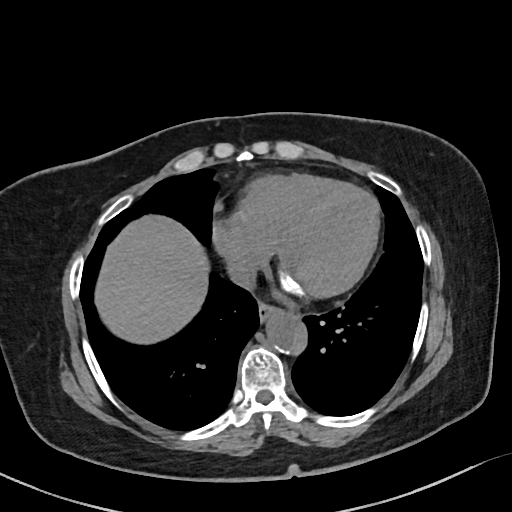

Computed tomography, abdomen; axial view; W/L 400/40 HU
<organs><organ name="esophagus" x1="259" y1="303" x2="276" y2="320"/><organ name="liver" x1="96" y1="213" x2="209" y2="344"/><organ name="aorta" x1="265" y1="307" x2="304" y2="352"/><organ name="inferior vena cava" x1="228" y1="262" x2="258" y2="290"/></organs>